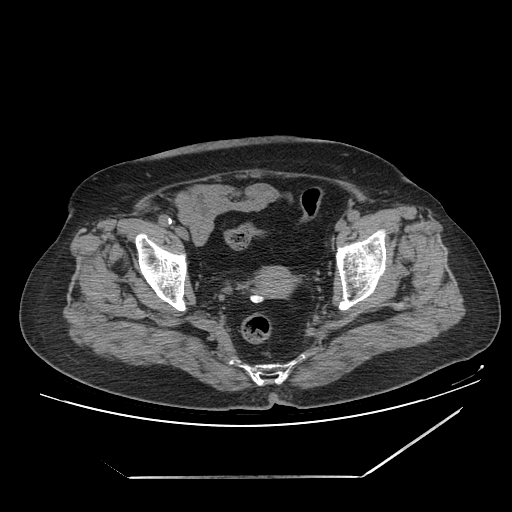
CT abdomen. axial plane, index 34. W/L 400/40 HU
{"organs":{"prostate/uterus":[254,266,295,297]}}